Chest-level CT slice, above the liver and spleen · axial view · 512x512 px · 15 organs annotated in this scan (a whole-scan count: organs this slice does not pass through have no box)
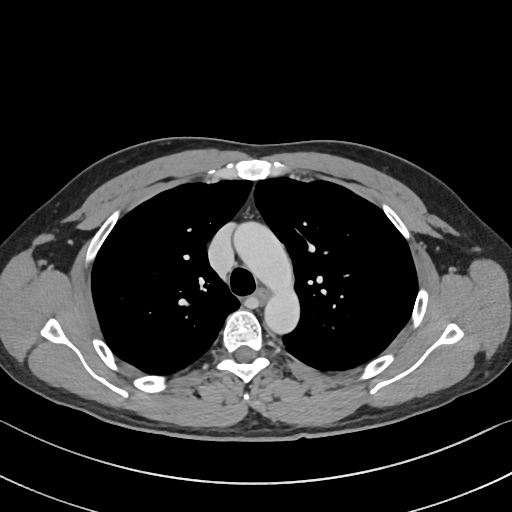

At this level of the chest this dataset labels only the esophagus and the aorta, and each is boxed only where it is labeled; the heart and lungs are never labeled.
Organ boxes in pixel coordinates; each row gives the top-left (x1, y1) and bottom-right (x2, y2) corners.
| organ | x1 | y1 | x2 | y2 |
|---|---|---|---|---|
| esophagus | 256 | 289 | 270 | 302 |
| aorta | 233 | 221 | 299 | 334 |